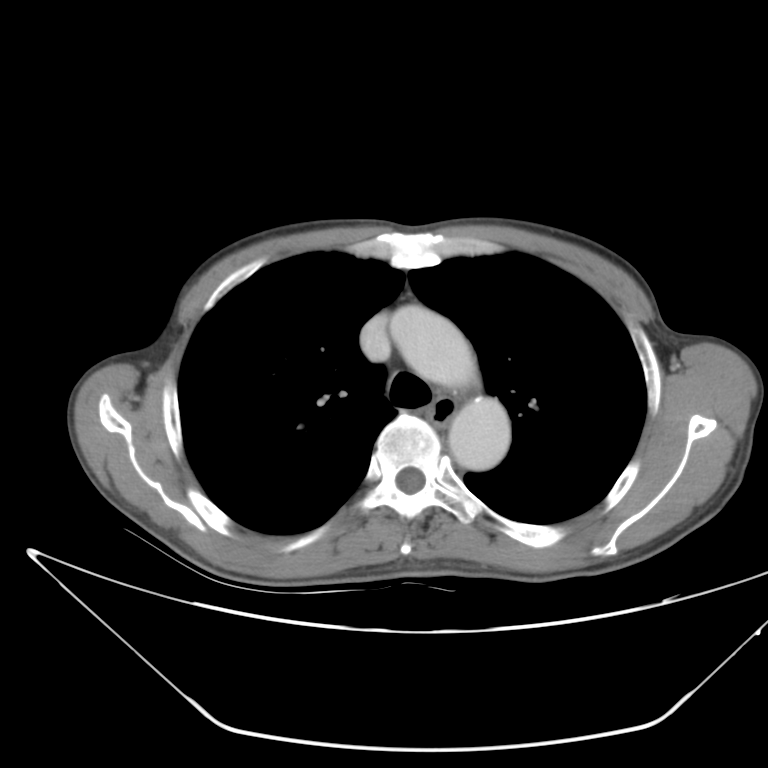

Abdominal CT reaching into the chest; this slice is in the chest — axial view — soft-tissue window, W/L 400/40 — 768x768 px — 13 organs annotated in this scan (that count is for the whole scan; organs this slice misses have no box)
On a slice this high in the chest, this dataset labels only the esophagus and the aorta, and each is boxed only where it is labeled; the heart, lungs and other chest structures are not labeled.
{"organs":{"aorta":[[390,308,479,391],[448,396,510,468]],"esophagus":[428,393,458,426]}}